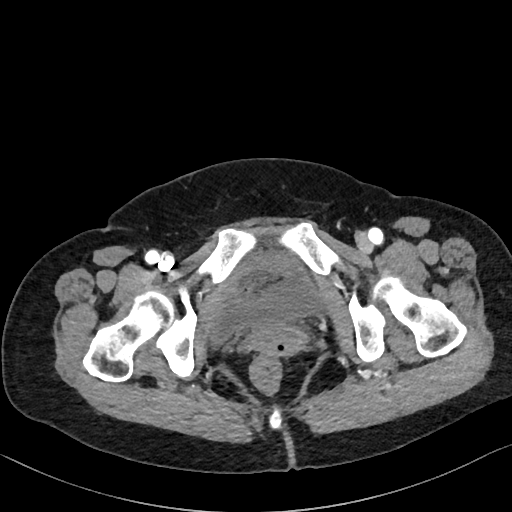

Abdominal CT — axial plane, index 23 — 512x512 px — acquired on SOMATOM Force
{"organs":{"bladder":[211,253,321,342],"prostate/uterus":[251,324,305,355]}}